CT abdomen; axial view; abdomen soft-tissue window; Aquilion ONE scanner
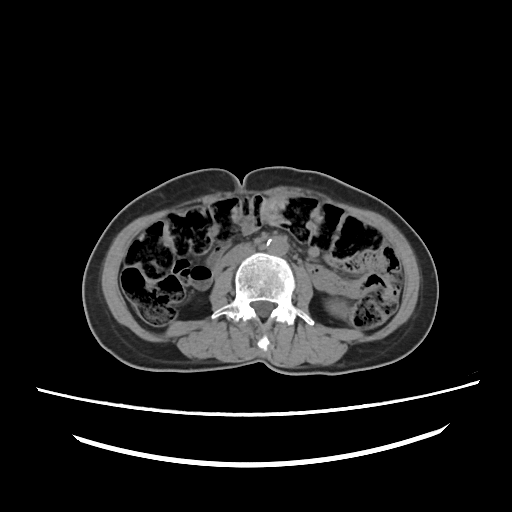 Boxes: x1 y1 x2 y2 (pixel coords, space-separated).
aorta: 266 236 288 255
left kidney: 328 300 346 315
inferior vena cava: 223 244 254 265